MRI, abdomen — Axial slice 35/72 — 13 organs annotated in this scan (counted over the whole 3D scan, not this slice; an organ is boxed only where this slice passes through it)
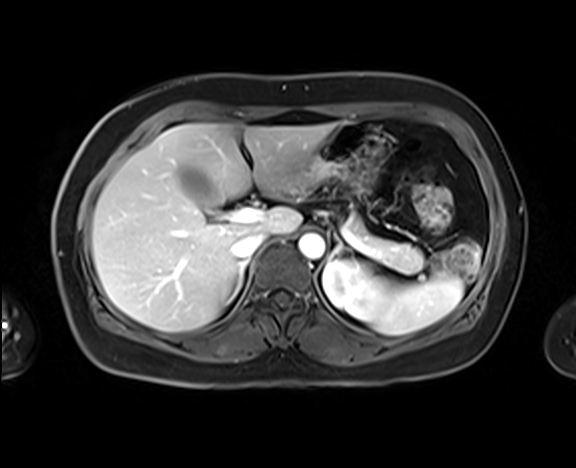
Each box given as x1,y1,x2,y2.
Organ bounding boxes:
- spleen: x1=370, y1=274, x2=463, y2=335
- left kidney: x1=322, y1=260, x2=384, y2=321
- gall bladder: x1=180, y1=167, x2=217, y2=207
- liver: x1=92, y1=124, x2=335, y2=331
- stomach: x1=298, y1=121, x2=381, y2=187
- aorta: x1=298, y1=233, x2=324, y2=258
- inferior vena cava: x1=231, y1=232, x2=267, y2=260
- pancreas: x1=347, y1=215, x2=424, y2=273
- right adrenal gland: x1=229, y1=260, x2=248, y2=301
- left adrenal gland: x1=329, y1=238, x2=348, y2=259